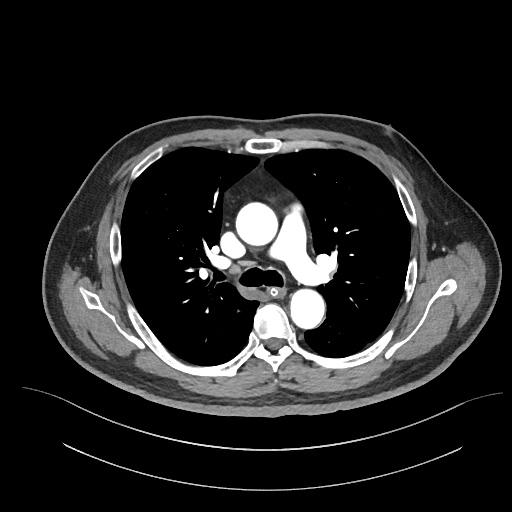
CT of the abdomen extending into the chest, slice through the chest — axial view — W/L 400/40 HU — 512x512 px
At this level of the chest no structure but the esophagus and the aorta has a label in this dataset, and those two are boxed only where they are labeled.
Box edges are left/top/right/bottom in pixels.
Organ bounding boxes:
- esophagus: left=269, top=288, right=285, bottom=296
- aorta: left=235, top=202, right=277, bottom=245
- aorta: left=290, top=290, right=324, bottom=329